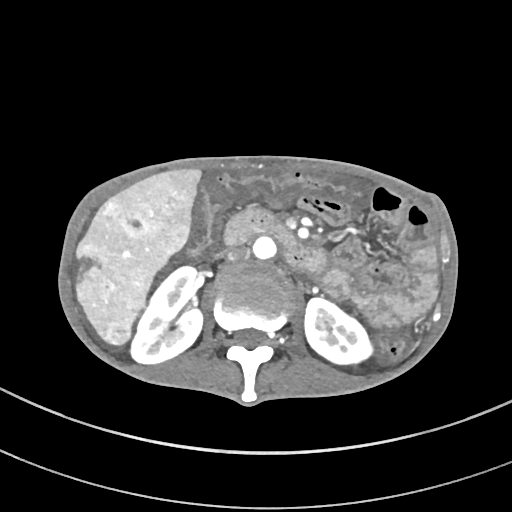 CT abdomen; axial view; W/L 400/40 HU; acquired on SOMATOM Force
{"organs":{"right kidney":[132,267,202,364],"left kidney":[304,297,375,365],"liver":[76,168,200,345],"aorta":[252,236,277,259],"inferior vena cava":[226,246,249,261],"duodenum":[223,209,328,277]}}